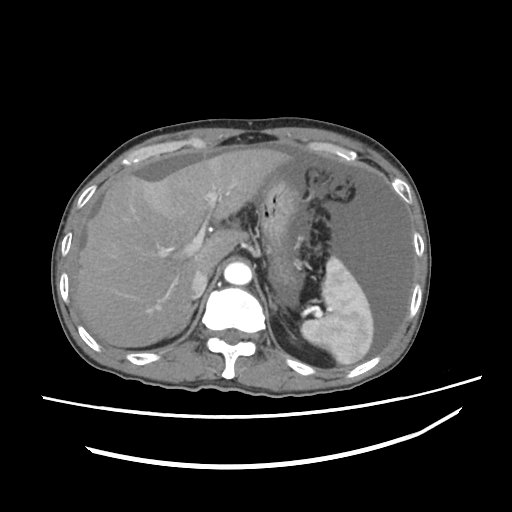 Abdominal CT — axial view — 512x512 px
Boxes: x1 y1 x2 y2 (pixel coords, space-separated). The annotated organs in this slice are: inferior vena cava at 191 265 213 297, aorta at 224 263 252 285, spleen at 299 258 374 364, right adrenal gland at 171 307 195 339, stomach at 258 178 300 306, liver at 74 148 294 346, left adrenal gland at 268 294 278 309.